Abdominal CT; Axial slice 20/93; W/L 400/40 HU; 51-year-old male patient
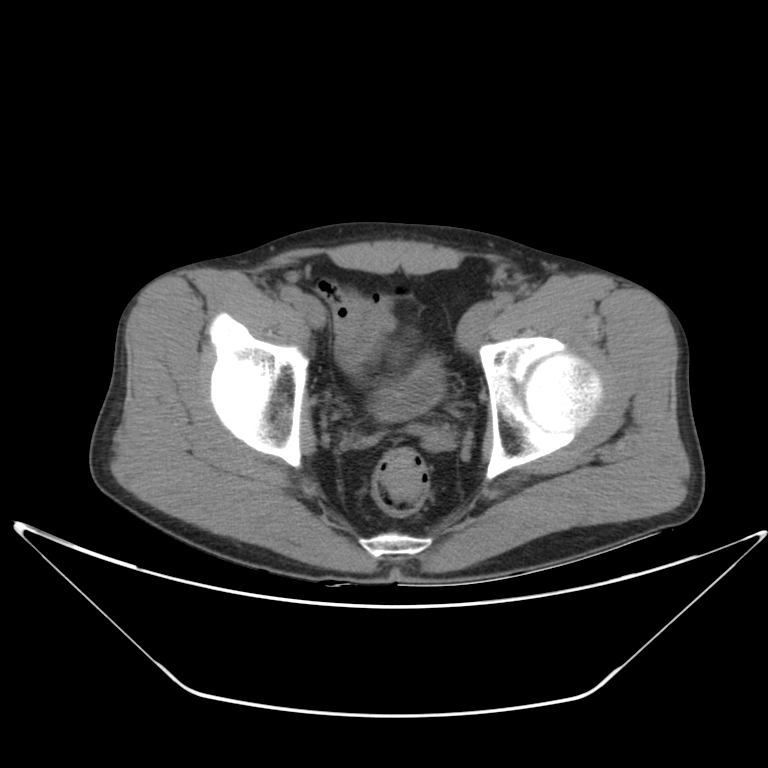 Boxes: x1 y1 x2 y2 (pixel coords, space-separated).
Organ bounding boxes:
- bladder: 367 355 445 423